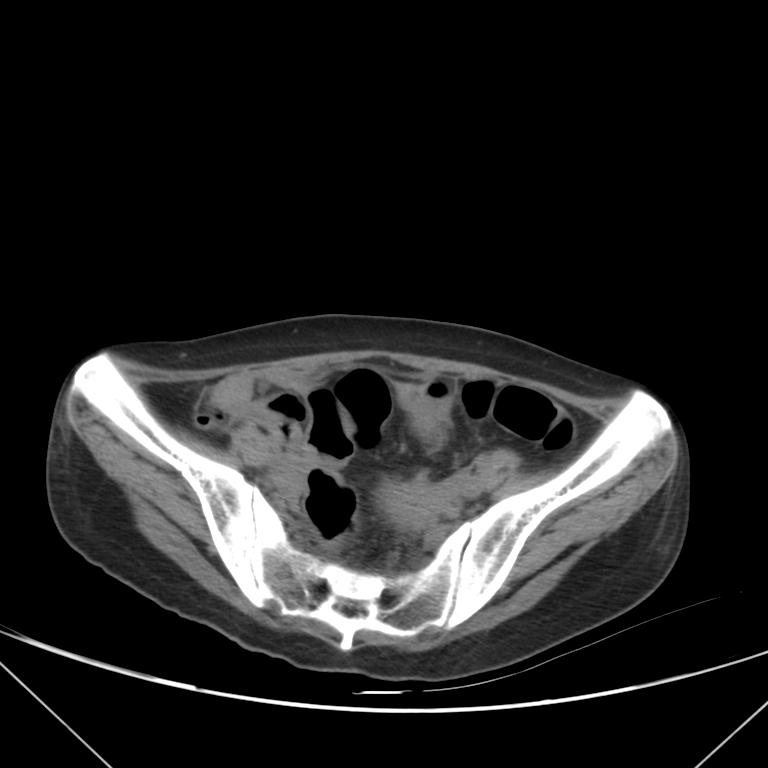

CT abdomen · axial view · soft-tissue window (W 400 / L 40) · 15 organs annotated in this scan (a whole-scan count: organs this slice does not pass through have no box)
Box edges are left/top/right/bottom in pixels. 1 labeled organ on this slice — prostate/uterus at left=381, top=482, right=446, bottom=526.